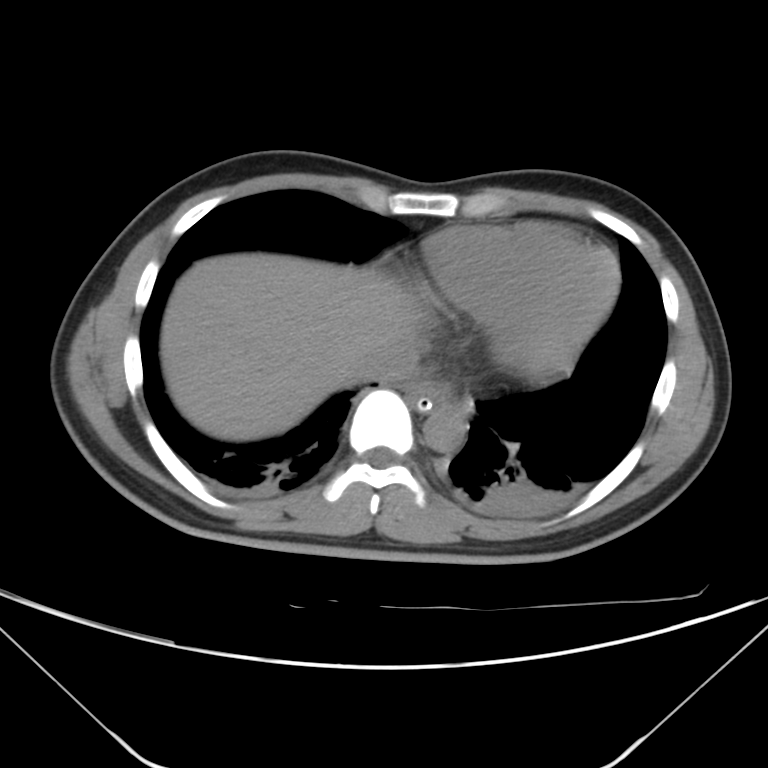
CT abdomen — axial view — scan has 15 labeled organs (a whole-scan count: organs this slice does not pass through have no box)
{"organs":{"esophagus":[405,382,453,409],"liver":[161,252,420,442],"aorta":[423,408,466,453],"inferior vena cava":[364,347,419,383]}}